CT of the abdomen extending into the chest, slice through the chest; Axial slice 100/114; 512x512 px; Aquilion ONE scanner
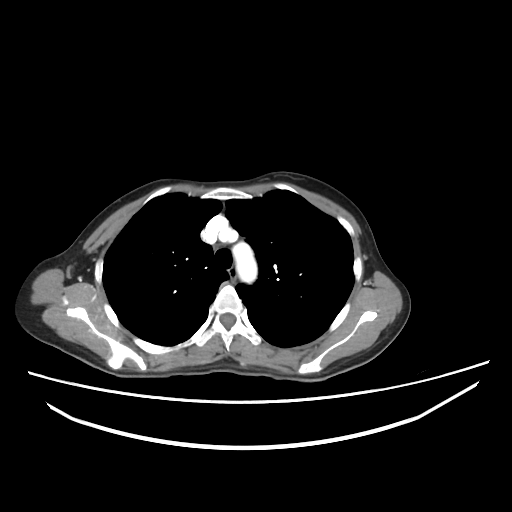 On a slice this high in the chest, this dataset labels only the esophagus and the aorta, and each is boxed only where it is labeled; the heart, lungs and other chest structures are not labeled.
Boxes are (x1, y1, x2, y2) in pixels.
Organ bounding boxes:
- aorta: (232, 242, 257, 283)
- esophagus: (228, 267, 236, 281)